Computed tomography, abdomen; axial view; W/L 400/40 HU; 768x768 px; acquired on Brilliance16
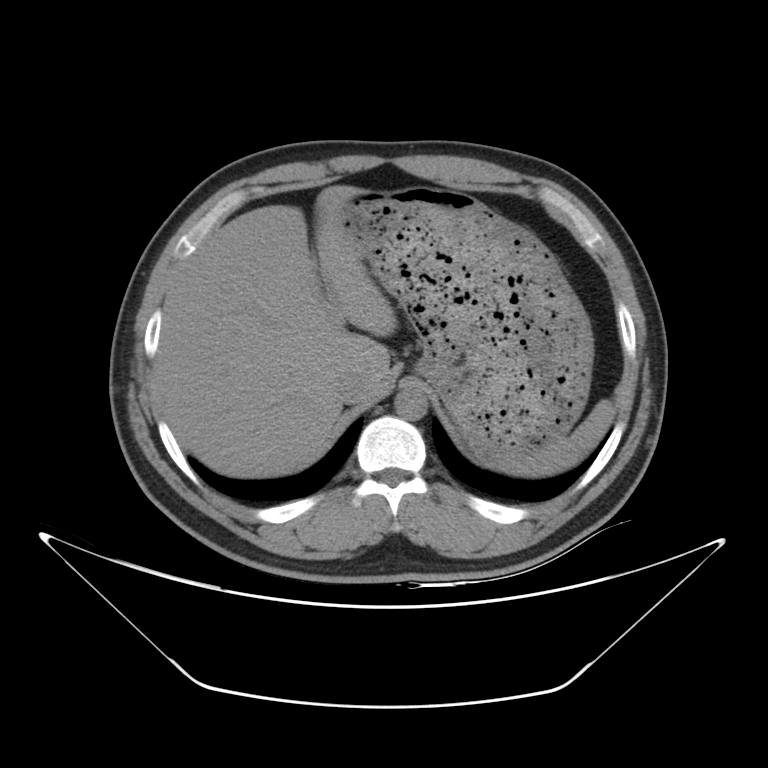 Boxes: x1:y1:x2:y2 in pixels.
Organ bounding boxes:
- stomach: 342:187:593:465
- aorta: 394:387:427:420
- spleen: 499:400:614:476
- inferior vena cava: 336:372:371:404
- liver: 154:185:397:478